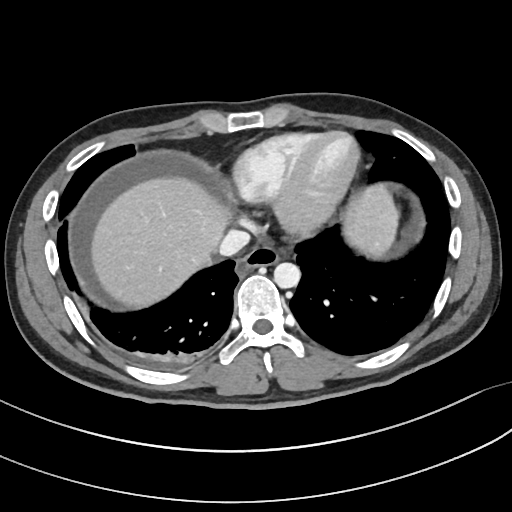 CT abdomen — axial plane, index 226
Bounding boxes as [x1, y1, x2, y2] in pixel coordinates.
Organ bounding boxes:
- aorta: [273, 262, 300, 288]
- liver: [90, 178, 395, 305]
- esophagus: [236, 247, 280, 274]
- inferior vena cava: [218, 228, 251, 255]